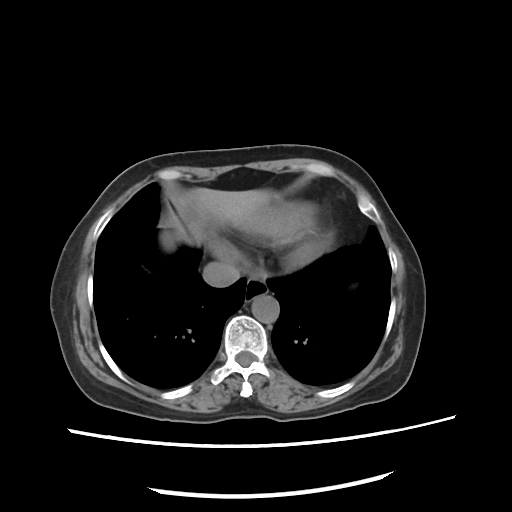 Abdominal CT; axial view
{"organs":{"esophagus":[244,278,268,302],"liver":[170,188,271,236],"aorta":[251,293,279,323],"inferior vena cava":[203,261,240,287]}}